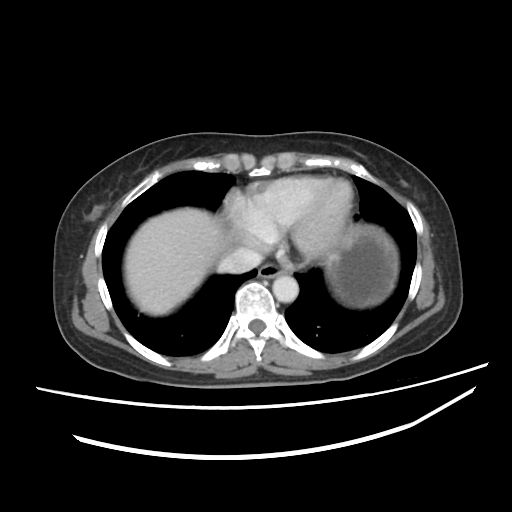 Computed tomography, abdomen · axial plane, index 84 · 512x512 px
{"organs":{"liver":[124,207,229,315],"esophagus":[258,263,286,278],"inferior vena cava":[217,247,262,273],"aorta":[272,275,298,302],"stomach":[325,224,398,308]}}